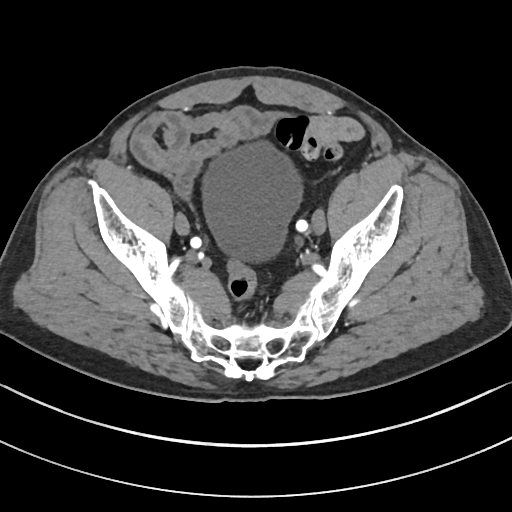
Abdominal CT; axial view; W/L 400/40 HU
Boxes are (x1, y1, x2, y2) in pixels.
bladder: (202, 144, 300, 261)